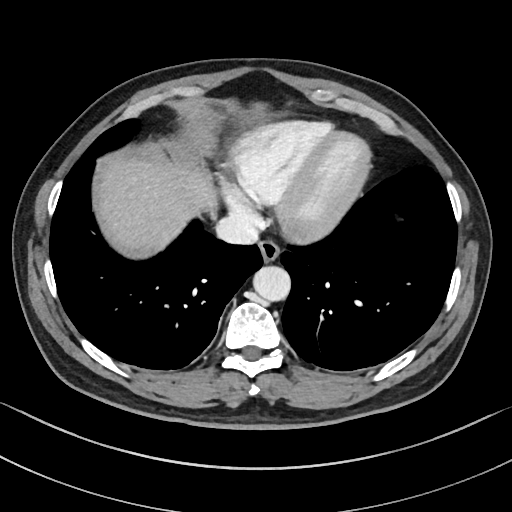 Computed tomography, abdomen · axial view · scan has 15 labeled organs (counted over the whole 3D scan, not this slice; an organ is boxed only where this slice passes through it)
Each box given as x1,y1,x2,y2.
Organ bounding boxes:
- esophagus: x1=258, y1=239, x2=280, y2=262
- liver: x1=96, y1=122, x2=216, y2=251
- aorta: x1=253, y1=266, x2=290, y2=301
- inferior vena cava: x1=216, y1=214, x2=258, y2=244